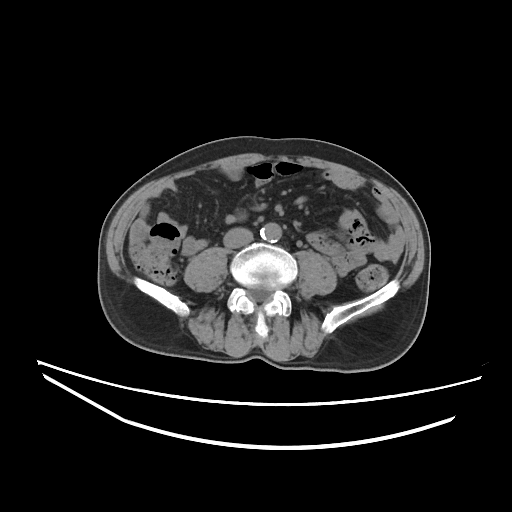 Abdominal CT — axial plane, index 48 — abdomen soft-tissue window — 68-year-old male patient
Coordinates as <box>x1,y1,x2,y2</box> in pixels. 2 labeled organs on this slice — aorta at <box>260,222,281,242</box>; inferior vena cava at <box>223,227,253,248</box>.